Computed tomography, abdomen. axial view. W/L 400/40 HU. 512x512 px. 47-year-old female patient
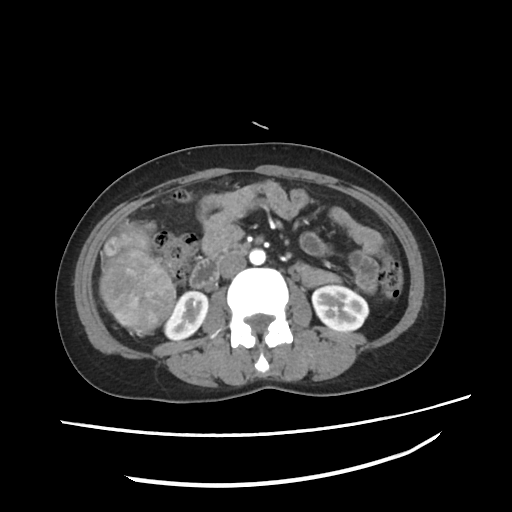
One row per box, in pixels: columns x1 and y1 give the top-left corner, x2 and y2 the bottom-right.
| organ | x1 | y1 | x2 | y2 |
|---|---|---|---|---|
| right kidney | 165 | 292 | 208 | 339 |
| left kidney | 312 | 284 | 369 | 331 |
| aorta | 249 | 248 | 265 | 264 |
| inferior vena cava | 219 | 253 | 246 | 277 |
| duodenum | 189 | 243 | 246 | 286 |